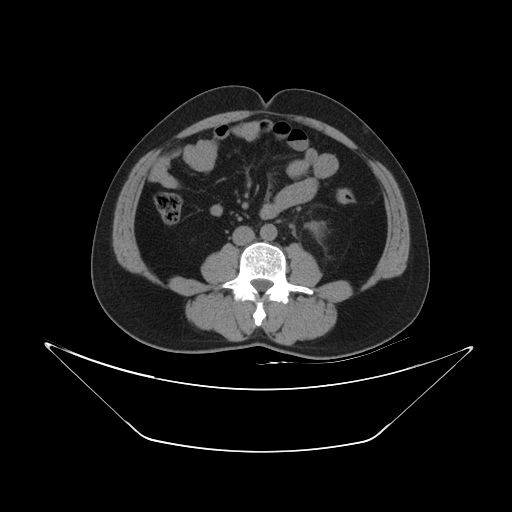 Computed tomography, abdomen. axial view
Boxes: x1:y1:x2:y2 in pixels.
Organ bounding boxes:
- left kidney: 307:221:320:233
- aorta: 260:223:276:240
- inferior vena cava: 232:225:254:245